CT abdomen · axial view · 512x512 px · scan has 15 labeled organs (a whole-scan count: organs this slice does not pass through have no box)
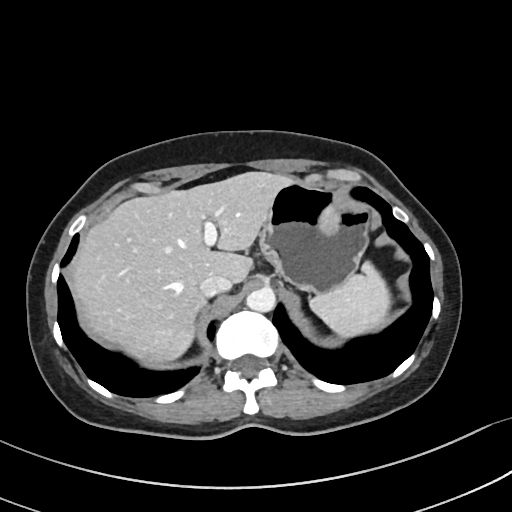 Boxes: x1:y1:x2:y2 in pixels.
spleen: 310:261:390:337
liver: 71:171:291:367
stomach: 258:180:370:292
aorta: 246:287:275:312
inferior vena cava: 199:275:232:297